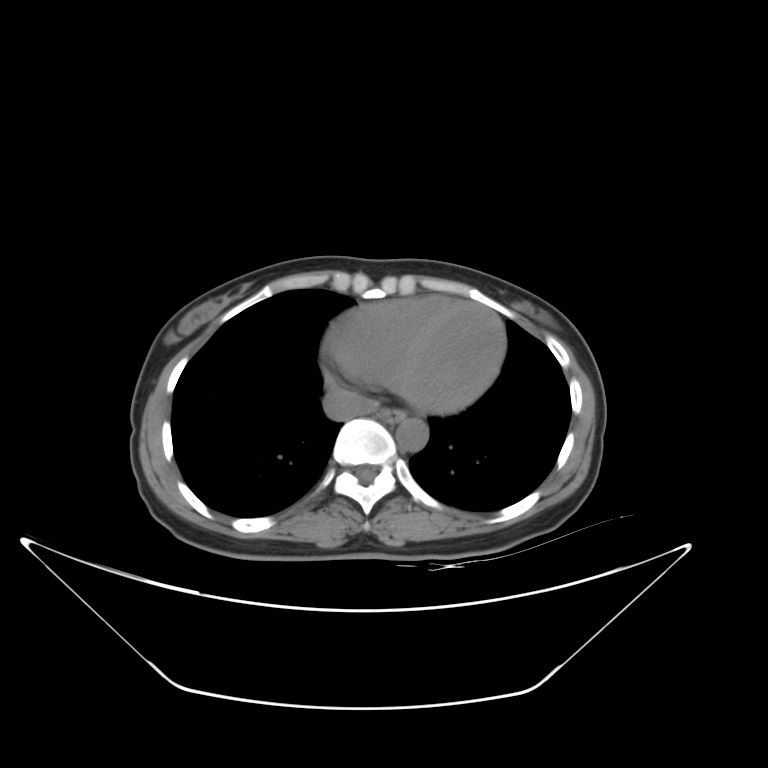
Abdominal CT; this slice is in the lower chest, just above the liver. axial view. W/L 400/40 HU. 768x768 px. 43-year-old female patient. 15 organs annotated in this scan (that count is for the whole scan; organs this slice misses have no box)
The heart and lungs are never labeled in this dataset, so they have no box on this slice. Boxes: x1 y1 x2 y2 (pixel coords, space-separated). Labeled organs on this slice: inferior vena cava at 324 387 378 420, aorta at 395 418 428 451, esophagus at 379 408 406 422.